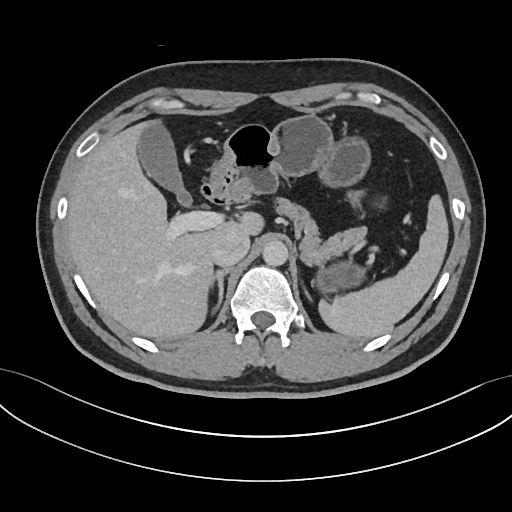
CT abdomen — axial plane, index 199
One row per box, in pixels: columns x1 and y1 give the top-left corner, x2 and y2 the bottom-right.
| organ | x1 | y1 | x2 | y2 |
|---|---|---|---|---|
| spleen | 317 | 193 | 448 | 337 |
| gall bladder | 136 | 121 | 191 | 206 |
| liver | 65 | 123 | 262 | 337 |
| stomach | 210 | 115 | 370 | 294 |
| aorta | 262 | 239 | 288 | 265 |
| inferior vena cava | 210 | 231 | 249 | 265 |
| pancreas | 276 | 196 | 365 | 266 |
| right adrenal gland | 212 | 266 | 231 | 312 |
| left adrenal gland | 304 | 290 | 313 | 300 |
| duodenum | 198 | 183 | 228 | 203 |